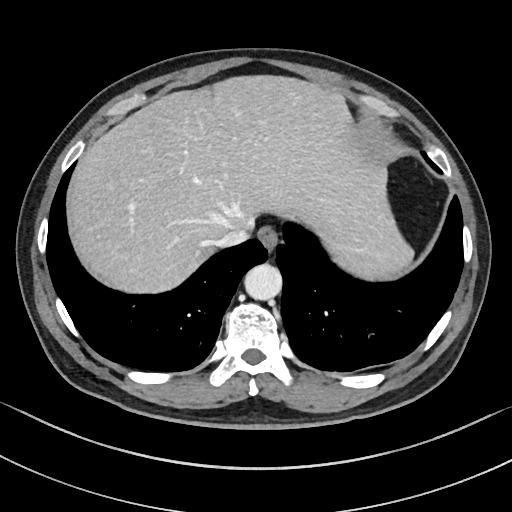

Computed tomography, abdomen — axial view — 15 organs annotated in this scan (that count is for the whole scan; organs this slice misses have no box)
{"organs":{"spleen":[358,260,379,264],"esophagus":[257,226,278,251],"liver":[66,75,413,293],"aorta":[244,264,282,300],"inferior vena cava":[216,224,252,247]}}